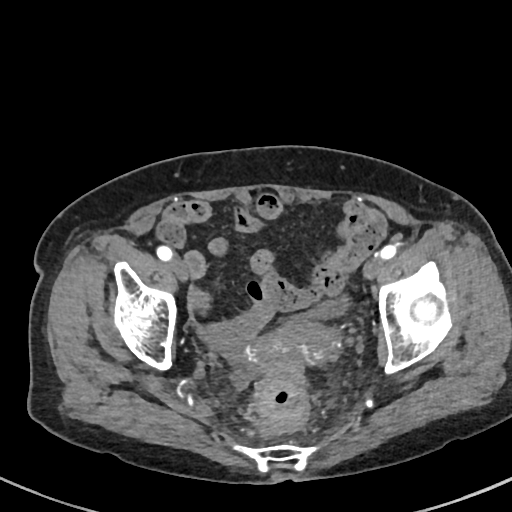

Computed tomography, abdomen · axial plane, index 43 · soft-tissue window (W 400 / L 40)
Organ boxes in pixel coordinates; each row gives the top-left (x1, y1) and bottom-right (x2, y2) corners.
| organ | x1 | y1 | x2 | y2 |
|---|---|---|---|---|
| bladder | 295 | 298 | 347 | 317 |
| prostate/uterus | 267 | 321 | 339 | 363 |